CT, abdomen/pelvis. axial view. abdomen soft-tissue window. scan has 14 labeled organs (a whole-scan count: organs this slice does not pass through have no box)
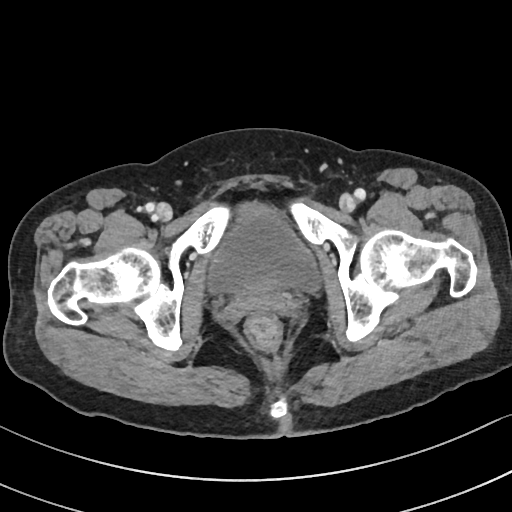

Organ boxes in pixel coordinates; each row gives the top-left (x1, y1) and bottom-right (x2, y2) corners.
| organ | x1 | y1 | x2 | y2 |
|---|---|---|---|---|
| bladder | 206 | 200 | 322 | 294 |